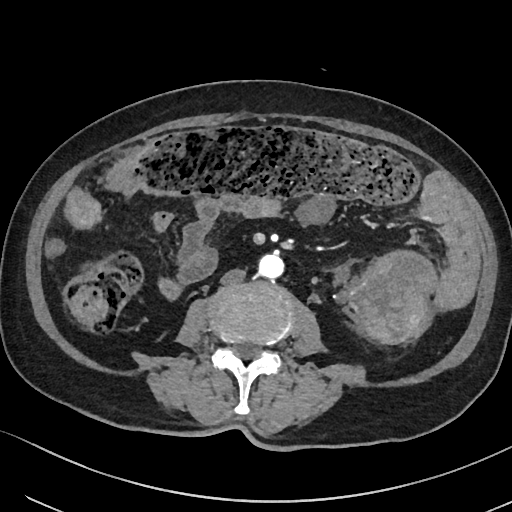

CT, abdomen/pelvis. axial plane, index 124. soft-tissue window (W 400 / L 40). 512x512 px. 15 organs annotated in this scan (that count is for the whole scan; organs this slice misses have no box)
Boxes: x1:y1:x2:y2 in pixels.
Organ bounding boxes:
- aorta: 258:253:283:278
- inferior vena cava: 220:268:246:284